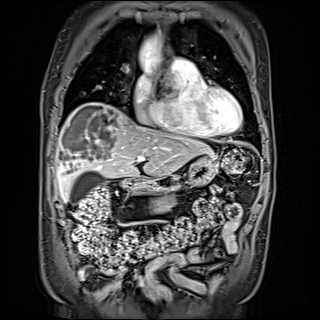 Magnetic resonance imaging, abdomen. coronal view. percentile-normalized. acquired on Prisma
{"organs":{"gall bladder":[69,170,102,203],"liver":[56,102,213,202],"stomach":[127,155,218,193],"aorta":[138,39,164,55],"pancreas":[152,191,175,212],"duodenum":[122,177,133,187]}}